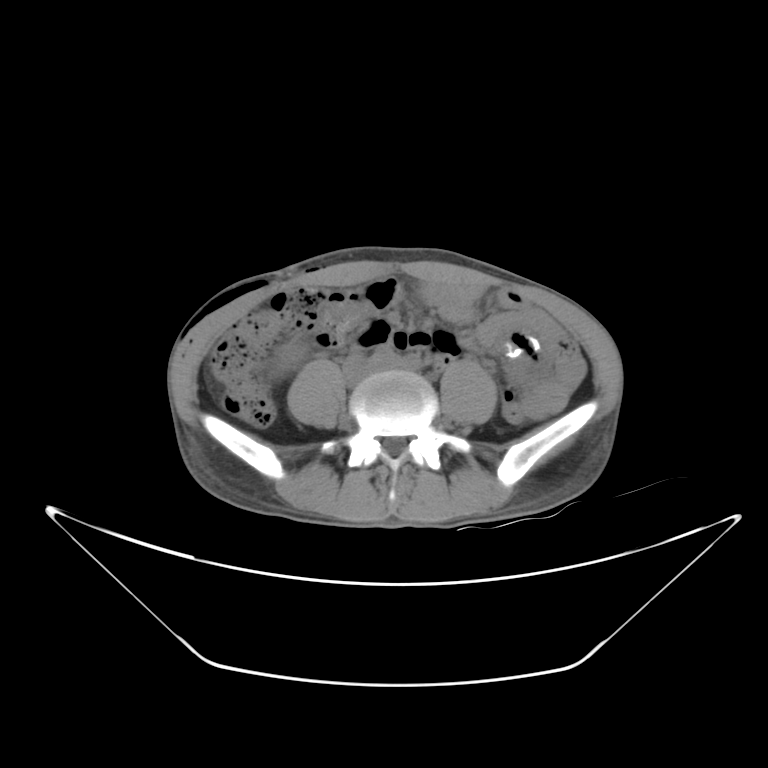 CT, abdomen/pelvis; axial plane, index 44; 768x768 px
{"organs":{"right kidney":[272,340,305,377]}}